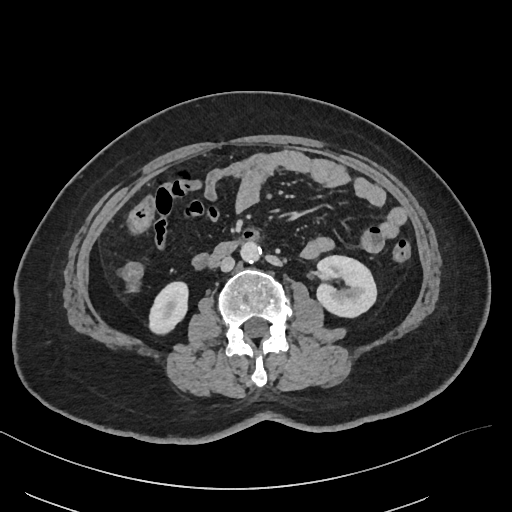
CT abdomen; axial view
<organs><organ name="right kidney" x1="150" y1="281" x2="188" y2="334"/><organ name="left kidney" x1="316" y1="255" x2="376" y2="316"/><organ name="aorta" x1="241" y1="241" x2="262" y2="262"/><organ name="inferior vena cava" x1="220" y1="256" x2="234" y2="271"/><organ name="duodenum" x1="207" y1="240" x2="238" y2="267"/></organs>